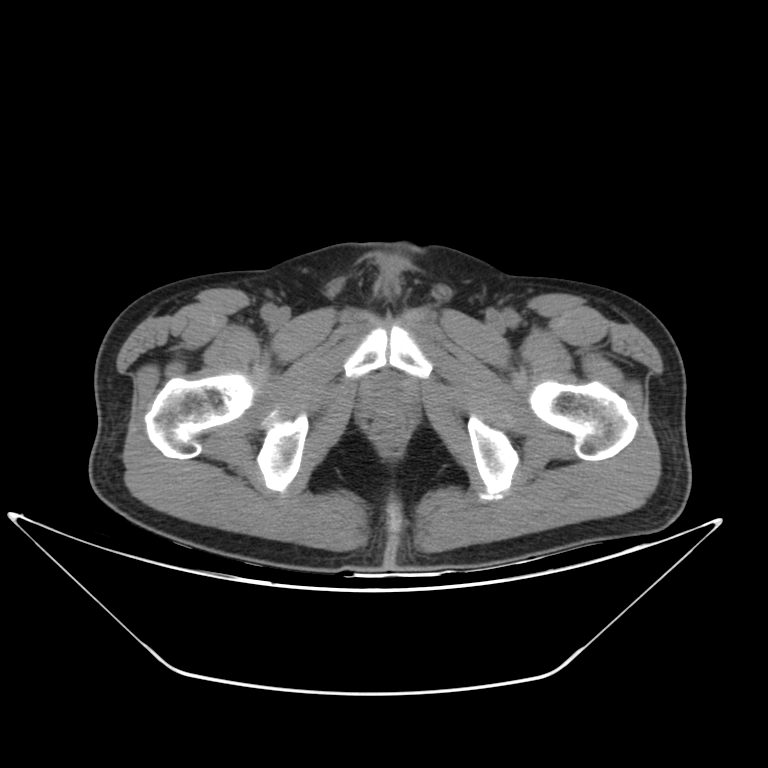
CT abdomen; axial view; 768x768 px; acquired on Brilliance16
Box edges are left/top/right/bottom in pixels. The annotated organs in this slice are: prostate/uterus at left=369, top=383, right=403, bottom=417.